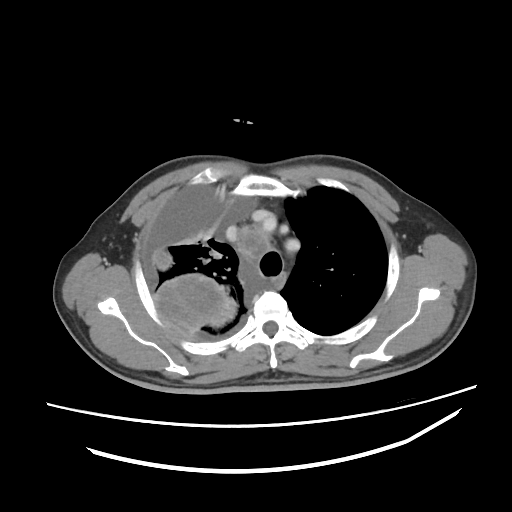 CT of the abdomen extending into the chest, slice through the chest. axial view. soft-tissue window. 49-year-old male patient
At this level of the chest this dataset labels only the esophagus and the aorta, and each is boxed only where it is labeled; the heart and lungs are never labeled.
<organs><organ name="esophagus" x1="274" y1="271" x2="287" y2="291"/></organs>